Computed tomography, abdomen. axial plane, index 148
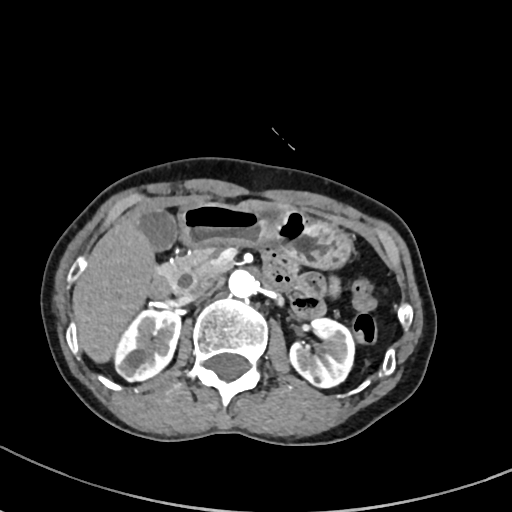
{"organs":{"right kidney":[114,309,181,381],"left kidney":[289,318,354,387],"gall bladder":[138,209,178,251],"liver":[73,199,291,362],"stomach":[177,201,352,268],"aorta":[228,269,257,297],"inferior vena cava":[183,275,217,300],"pancreas":[156,247,230,293],"duodenum":[149,260,294,297]}}